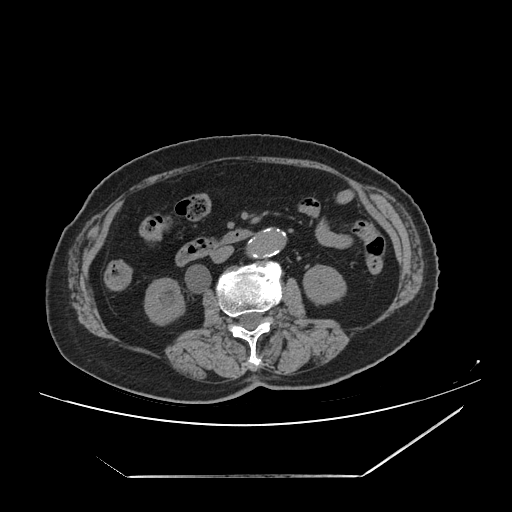 CT, abdomen/pelvis — axial view — abdomen soft-tissue window — 512x512 px
<organs><organ name="right kidney" x1="144" y1="278" x2="184" y2="324"/><organ name="left kidney" x1="303" y1="265" x2="345" y2="303"/><organ name="stomach" x1="231" y1="344" x2="236" y2="349"/><organ name="aorta" x1="247" y1="228" x2="285" y2="257"/><organ name="inferior vena cava" x1="210" y1="246" x2="233" y2="262"/><organ name="duodenum" x1="175" y1="230" x2="257" y2="265"/></organs>